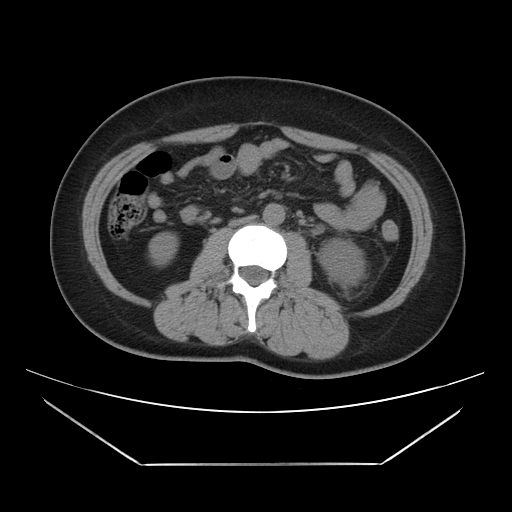

Abdominal CT; axial view; acquired on SOMATOM Force
One row per box, in pixels: columns x1 and y1 give the top-left corner, x2 and y2 the bottom-right.
| organ | x1 | y1 | x2 | y2 |
|---|---|---|---|---|
| right kidney | 148 | 232 | 178 | 266 |
| left kidney | 319 | 239 | 364 | 284 |
| aorta | 263 | 203 | 285 | 225 |
| inferior vena cava | 229 | 215 | 255 | 226 |